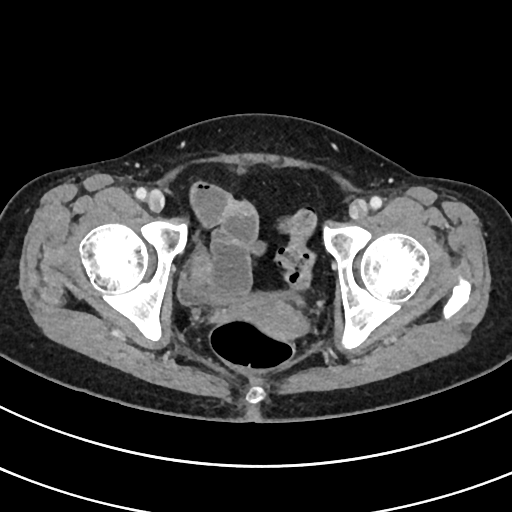

CT abdomen · axial view · abdomen soft-tissue window · scan has 15 labeled organs (that count is for the whole scan; organs this slice misses have no box)
Boxes are (x1, y1, x2, y2) in pixels.
bladder: (178, 240, 290, 304)
prostate/uterus: (230, 297, 307, 339)